Computed tomography, abdomen — axial plane, index 59 — soft-tissue window — Brilliance16 scanner
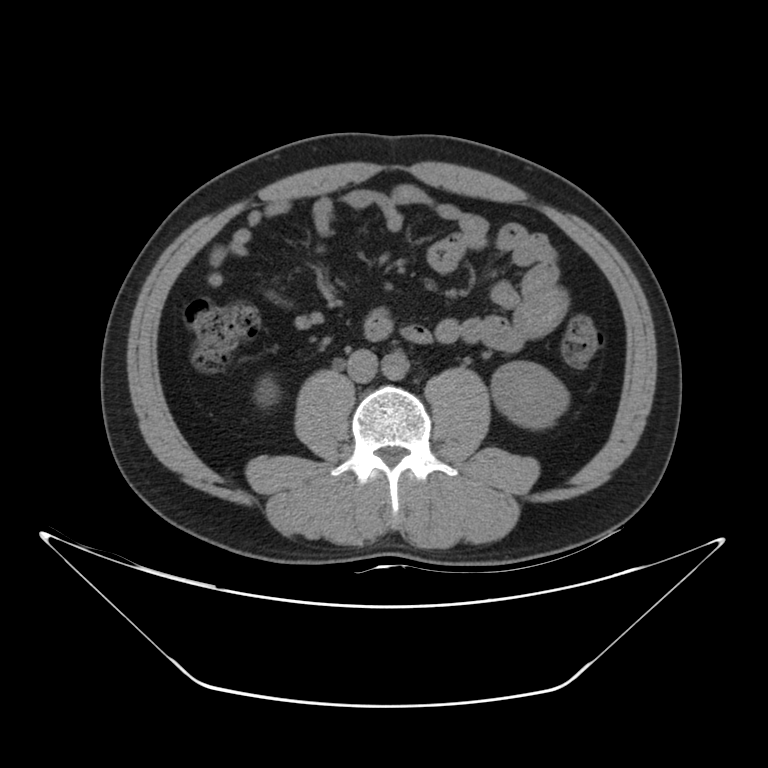

Each box given as x1,y1,x2,y2. 4 labeled organs on this slice — right kidney at x1=255, y1=377, x2=279, y2=407; left kidney at x1=491, y1=361, x2=569, y2=429; aorta at x1=382, y1=351, x2=409, y2=380; inferior vena cava at x1=347, y1=349, x2=377, y2=382.